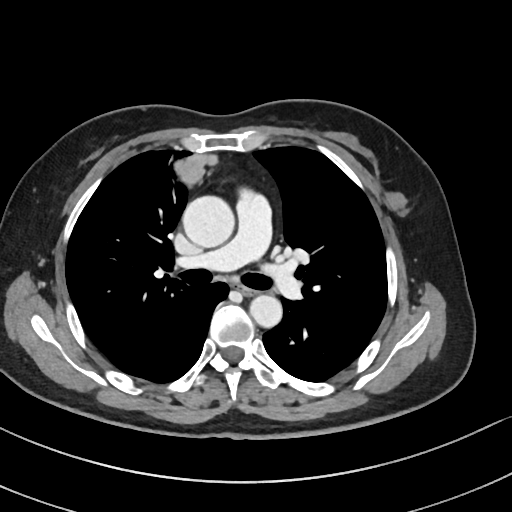 CT of the abdomen extending into the chest, slice through the chest — axial view — 14 organs annotated in this scan (counted over the whole 3D scan, not this slice; an organ is boxed only where this slice passes through it)
At this level of the chest this dataset labels only the esophagus and the aorta, and each is boxed only where it is labeled; the heart and lungs are never labeled. Each box given as x1,y1,x2,y2. 2 labeled organs on this slice — esophagus at x1=237, y1=285, x2=255, y2=295; aorta at x1=183, y1=195, x2=235, y2=248; aorta at x1=249, y1=294, x2=282, y2=328.